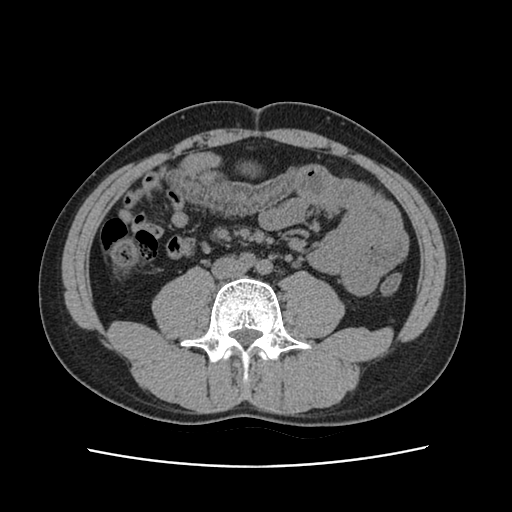

Computed tomography, abdomen; axial plane, index 90; abdomen soft-tissue window; 512x512 px
<organs><organ name="inferior vena cava" x1="211" y1="256" x2="246" y2="279"/></organs>